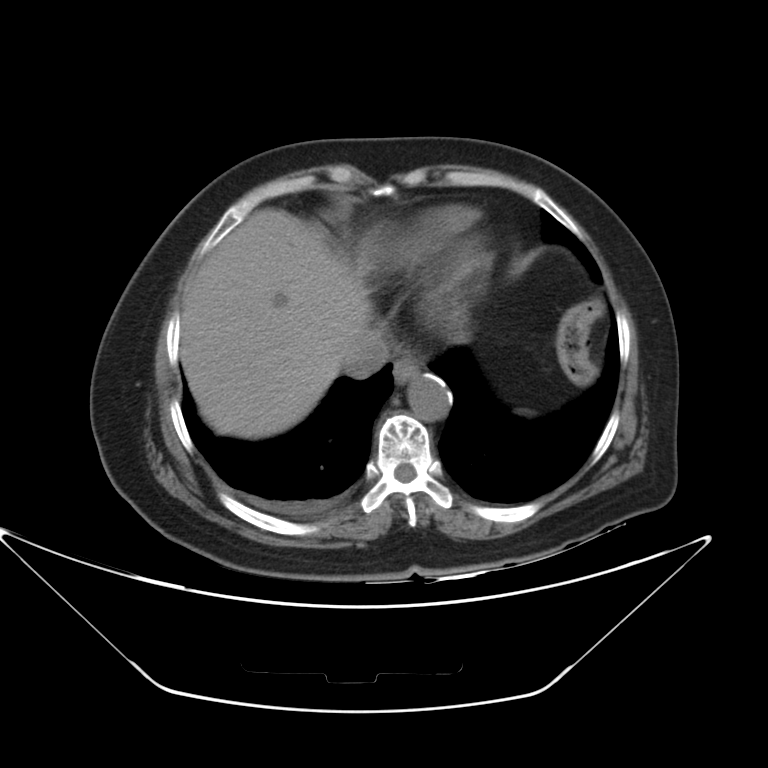

Abdominal CT · axial view · W/L 400/40 HU · Brilliance16 scanner
{"organs":{"liver":[181,207,371,438],"aorta":[407,375,452,421],"inferior vena cava":[342,330,388,378],"esophagus":[392,357,421,384]}}